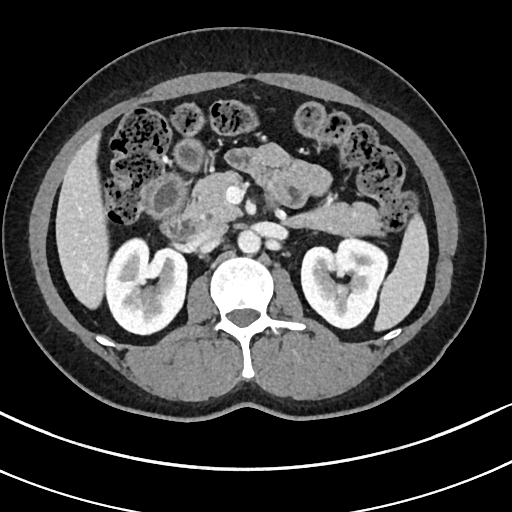
Computed tomography, abdomen. Axial slice 140/206. soft-tissue window (W 400 / L 40). 512x512 px. SOMATOM Force scanner. scan has 15 labeled organs (a whole-scan count: organs this slice does not pass through have no box)
{"organs":{"right kidney":[105,238,186,334],"left kidney":[301,238,387,328],"liver":[55,134,108,308],"pancreas":[186,172,384,236],"inferior vena cava":[191,223,226,242],"spleen":[374,214,428,331],"stomach":[175,139,202,169],"aorta":[237,230,260,253],"duodenum":[148,175,201,239]}}